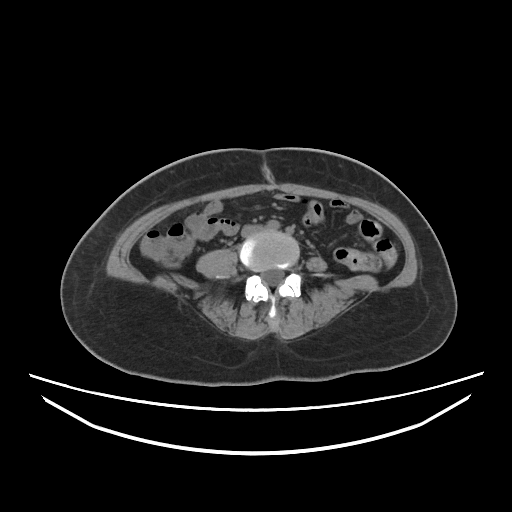

CT, abdomen/pelvis; axial plane, index 46; Aquilion ONE scanner; 15 organs annotated in this scan (a whole-scan count: organs this slice does not pass through have no box)
{"organs":{"inferior vena cava":[241,225,263,237]}}